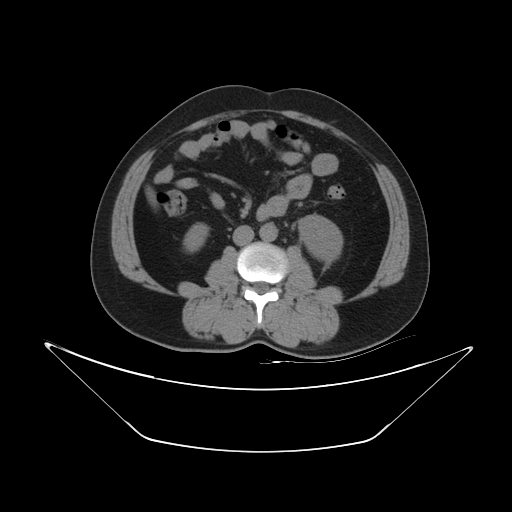

CT, abdomen/pelvis · Axial slice 50/83 · Brilliance16 scanner
<organs><organ name="right kidney" x1="183" y1="223" x2="208" y2="252"/><organ name="left kidney" x1="298" y1="215" x2="342" y2="261"/><organ name="liver" x1="145" y1="186" x2="156" y2="206"/><organ name="aorta" x1="259" y1="223" x2="277" y2="241"/><organ name="inferior vena cava" x1="232" y1="225" x2="253" y2="245"/></organs>